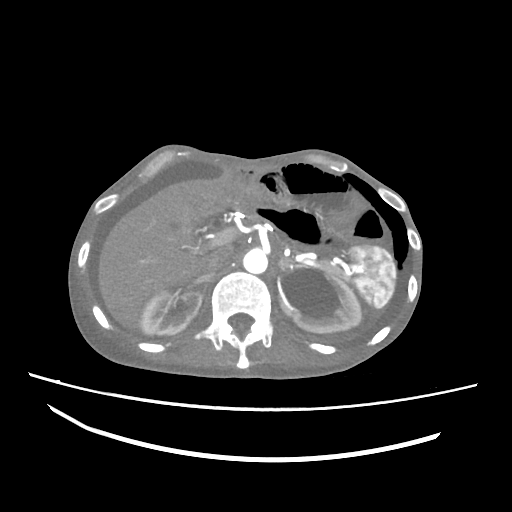
CT, abdomen/pelvis; axial view; 512x512 px
Bounding boxes in pixels, one row per box: x1, y1 is the top-left corner and x2, y2 the bottom-right.
| organ | x1 | y1 | x2 | y2 |
|---|---|---|---|---|
| spleen | 350 | 244 | 395 | 308 |
| right kidney | 139 | 291 | 201 | 334 |
| left kidney | 278 | 264 | 361 | 333 |
| liver | 98 | 175 | 236 | 329 |
| aorta | 243 | 249 | 267 | 273 |
| inferior vena cava | 202 | 249 | 232 | 273 |
| pancreas | 319 | 262 | 343 | 279 |
| right adrenal gland | 189 | 274 | 211 | 297 |
| left adrenal gland | 277 | 257 | 291 | 271 |